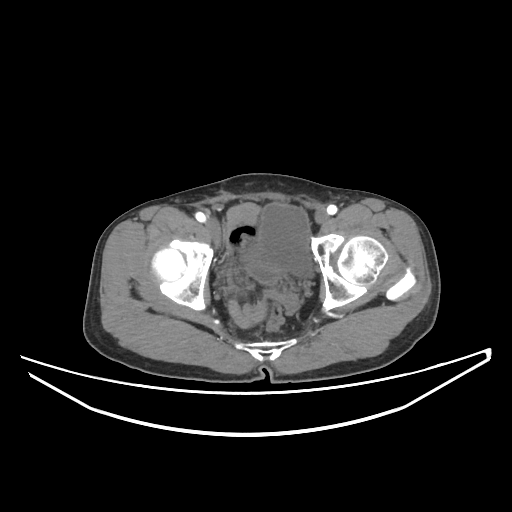
CT, abdomen/pelvis; axial plane, index 15; 512x512 px; 62-year-old male patient; scan has 15 labeled organs (that count is for the whole scan; organs this slice misses have no box)
One row per box, in pixels: columns x1 and y1 give the top-left corner, x2 and y2 the bottom-right.
| organ | x1 | y1 | x2 | y2 |
|---|---|---|---|---|
| bladder | 258 | 203 | 311 | 275 |